Abdominal CT — axial plane, index 147 — 512x512 px
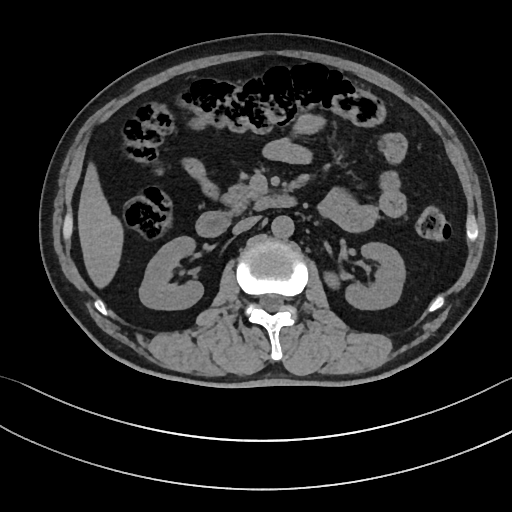 Bounding boxes in pixels, one row per box: x1, y1 is the top-left corner and x2, y2 the bottom-right.
| organ | x1 | y1 | x2 | y2 |
|---|---|---|---|---|
| right kidney | 139 | 236 | 203 | 309 |
| left kidney | 324 | 242 | 406 | 309 |
| liver | 78 | 166 | 122 | 285 |
| aorta | 271 | 215 | 294 | 238 |
| inferior vena cava | 233 | 216 | 259 | 233 |
| pancreas | 223 | 185 | 258 | 211 |
| duodenum | 196 | 195 | 293 | 237 |